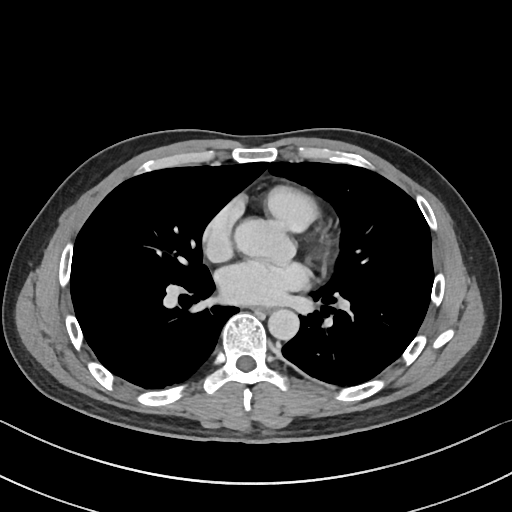 Chest-level CT slice, above the liver and spleen. axial view. 15 organs annotated in this scan (that count is for the whole scan; organs this slice misses have no box)
On a slice this high in the chest, this dataset labels only the esophagus and the aorta, and each is boxed only where it is labeled; the heart, lungs and other chest structures are not labeled.
Organ boxes in pixel coordinates; each row gives the top-left (x1, y1) and bottom-right (x2, y2) corners.
| organ | x1 | y1 | x2 | y2 |
|---|---|---|---|---|
| esophagus | 254 | 306 | 270 | 314 |
| aorta | 268 | 309 | 299 | 340 |